CT abdomen — Axial slice 71/82 — 768x768 px
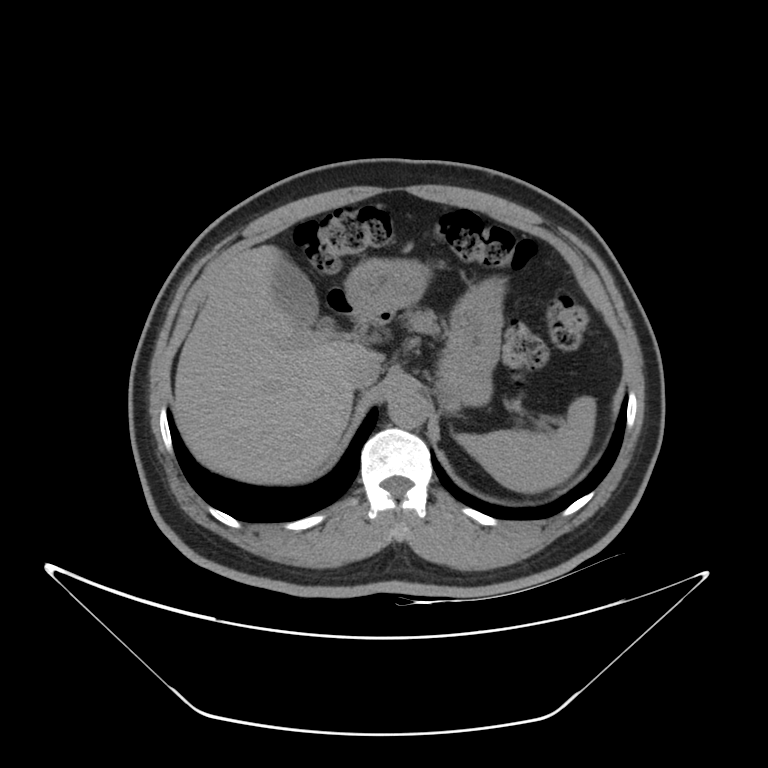
<organs><organ name="inferior vena cava" x1="344" y1="349" x2="381" y2="388"/><organ name="stomach" x1="328" y1="258" x2="505" y2="412"/><organ name="gall bladder" x1="273" y1="254" x2="318" y2="326"/><organ name="pancreas" x1="406" y1="309" x2="439" y2="334"/><organ name="aorta" x1="388" y1="389" x2="428" y2="428"/><organ name="liver" x1="175" y1="244" x2="364" y2="484"/><organ name="spleen" x1="456" y1="396" x2="596" y2="493"/></organs>